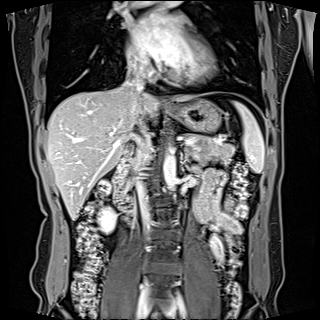

Abdominal MR · coronal view · 1st–99th percentile window
Organ boxes in pixel coordinates; each row gives the top-left (x1, y1) and bottom-right (x2, y2) corners.
| organ | x1 | y1 | x2 | y2 |
|---|---|---|---|---|
| spleen | 234 | 101 | 264 | 172 |
| right kidney | 99 | 207 | 116 | 232 |
| esophagus | 164 | 102 | 175 | 111 |
| liver | 46 | 85 | 195 | 220 |
| stomach | 173 | 99 | 221 | 132 |
| aorta | 163 | 147 | 177 | 191 |
| inferior vena cava | 134 | 138 | 150 | 232 |
| inferior vena cava | 125 | 66 | 144 | 95 |
| pancreas | 188 | 135 | 234 | 165 |
| left adrenal gland | 184 | 150 | 189 | 162 |
| duodenum | 114 | 151 | 134 | 210 |